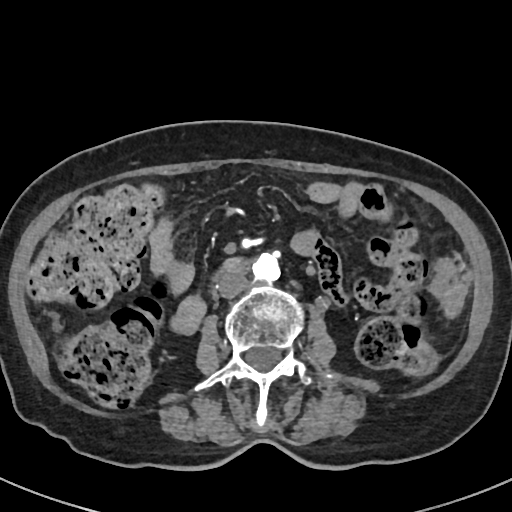
CT abdomen. axial view. W/L 400/40 HU. 512x512 px. 15 organs annotated in this scan (that count is for the whole scan; organs this slice misses have no box)
{"organs":{"aorta":[252,252,280,282],"inferior vena cava":[216,271,248,298],"duodenum":[216,258,246,278]}}